CT of the abdomen extending into the chest, slice through the chest; axial view; soft-tissue window (W 400 / L 40)
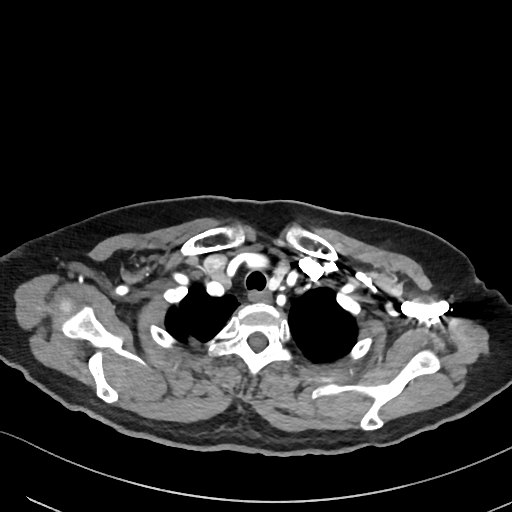
At this level of the chest this dataset labels only the esophagus and the aorta, and each is boxed only where it is labeled; the heart and lungs are never labeled.
Box edges are left/top/right/bottom in pixels.
esophagus: left=247, top=292, right=269, bottom=302